CT, abdomen/pelvis; axial plane, index 40; 512x512 px; 15 organs annotated in this scan (that count is for the whole scan; organs this slice misses have no box)
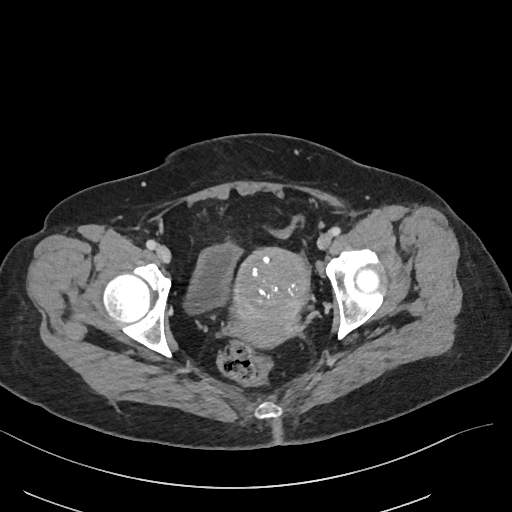 Organ boxes in pixel coordinates; each row gives the top-left (x1, y1) and bottom-right (x2, y2) corners.
| organ | x1 | y1 | x2 | y2 |
|---|---|---|---|---|
| prostate/uterus | 230 | 247 | 309 | 347 |
| bladder | 187 | 244 | 243 | 310 |